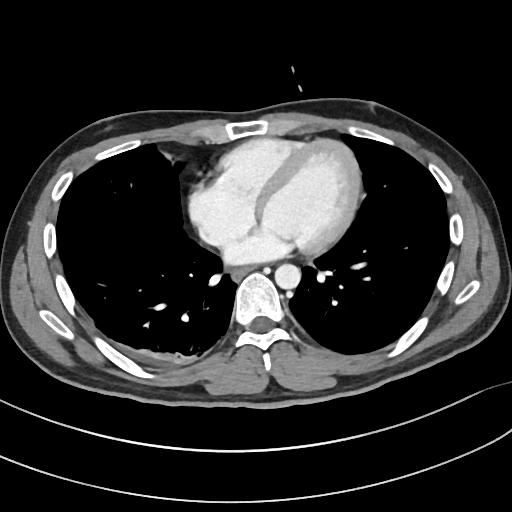
CT of the abdomen reaching into the lower chest, slice just above the liver and spleen. axial plane, index 237. 512x512 px
The heart and lungs are never labeled in this dataset, so they have no box on this slice.
<organs><organ name="esophagus" x1="232" y1="267" x2="253" y2="281"/><organ name="aorta" x1="275" y1="263" x2="300" y2="289"/></organs>